CT of the abdomen extending into the chest, slice through the chest — axial plane, index 85 — soft-tissue window (W 400 / L 40) — 43-year-old female patient — scan has 15 labeled organs (counted over the whole 3D scan, not this slice; an organ is boxed only where this slice passes through it)
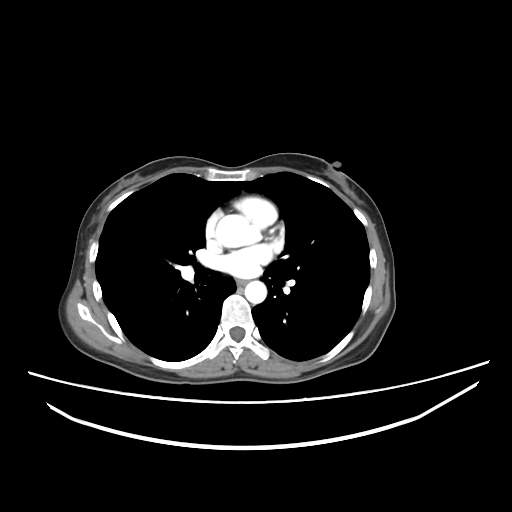

On a slice this high in the chest, this dataset labels only the esophagus and the aorta, and each is boxed only where it is labeled; the heart, lungs and other chest structures are not labeled.
{"organs":{"esophagus":[236,280,246,285],"aorta":[[215,214,255,247],[244,280,266,303]]}}